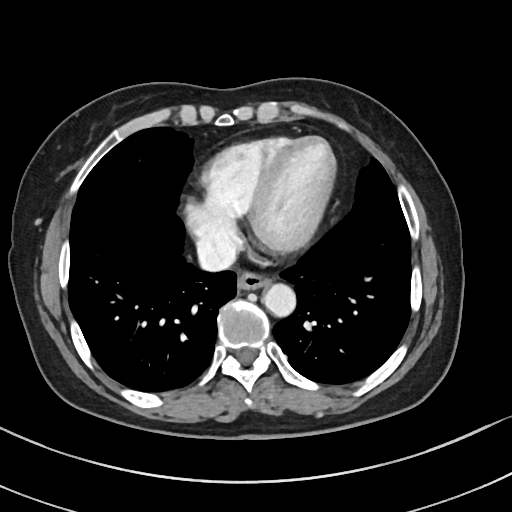

Lower-chest slice from an abdominal CT, just above the liver and spleen; axial view; 512x512 px; SOMATOM Force scanner
The heart and lungs are never labeled in this dataset, so they have no box on this slice.
{"organs":{"esophagus":[237,271,271,289],"aorta":[262,283,295,316],"inferior vena cava":[196,234,237,271]}}